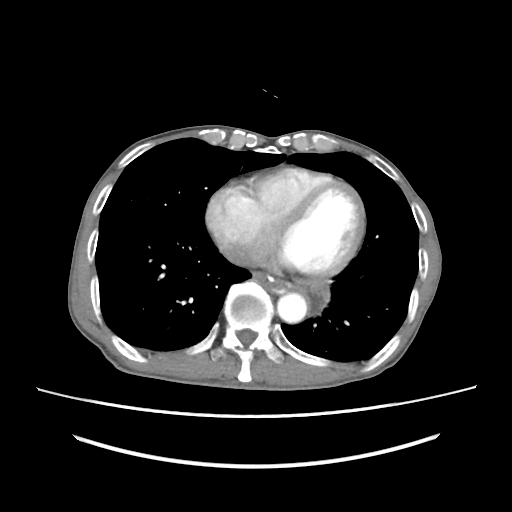 Abdominal CT; this slice is in the lower chest, just above the liver. axial view. 512x512 px. 62-year-old male patient. Aquilion ONE scanner
Of the structures in the chest, this dataset labels only the esophagus, the aorta and the inferior vena cava; the heart and lungs have no label.
Organ boxes in pixel coordinates; each row gives the top-left (x1, y1) and bottom-right (x2, y2) corners.
| organ | x1 | y1 | x2 | y2 |
|---|---|---|---|---|
| esophagus | 252 | 272 | 290 | 293 |
| aorta | 277 | 293 | 307 | 323 |
| inferior vena cava | 220 | 242 | 251 | 266 |